Abdominal CT — Axial slice 75/90 — 768x768 px — 59-year-old male patient
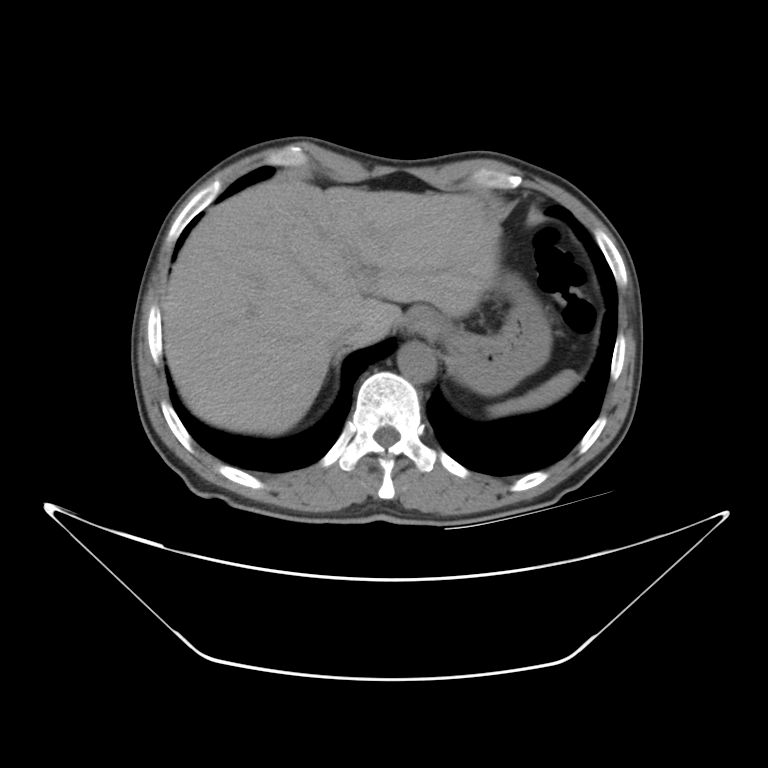 Boxes are (x1, y1, x2, y2) in pixels. The annotated organs in this slice are: spleen at (488, 369, 577, 419), liver at (164, 178, 496, 433), stomach at (403, 262, 550, 393), aorta at (398, 342, 436, 382), inferior vena cava at (327, 326, 377, 354).